CT of the abdomen extending into the chest, slice through the chest. axial view. scan has 15 labeled organs (that count is for the whole scan; organs this slice misses have no box)
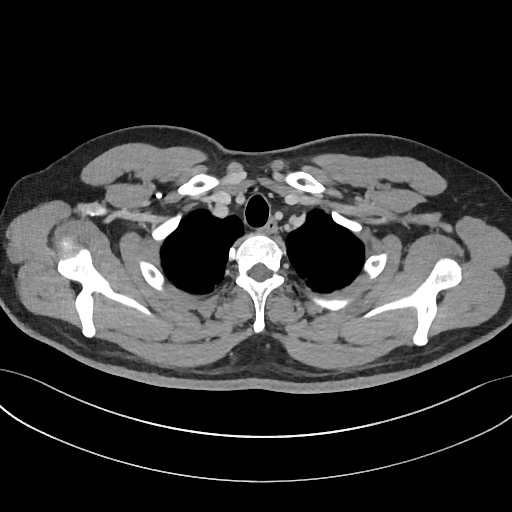
On a slice this high in the chest, this dataset labels only the esophagus and the aorta, and each is boxed only where it is labeled; the heart, lungs and other chest structures are not labeled.
<organs><organ name="esophagus" x1="262" y1="219" x2="275" y2="234"/></organs>